Computed tomography, abdomen; Axial slice 11/79; soft-tissue window (W 400 / L 40); scan has 15 labeled organs (a whole-scan count: organs this slice does not pass through have no box)
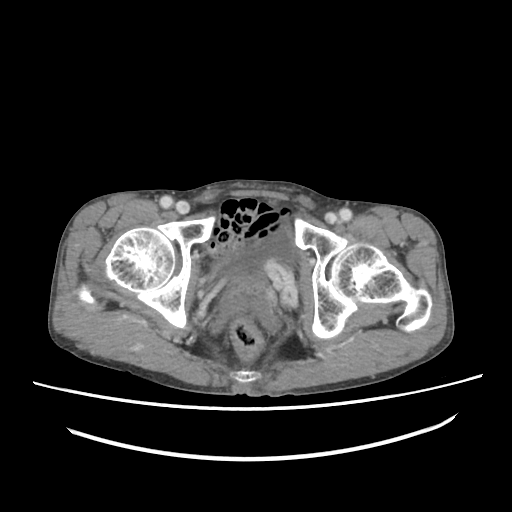 <organs><organ name="bladder" x1="211" y1="231" x2="297" y2="277"/><organ name="prostate/uterus" x1="232" y1="272" x2="265" y2="296"/></organs>